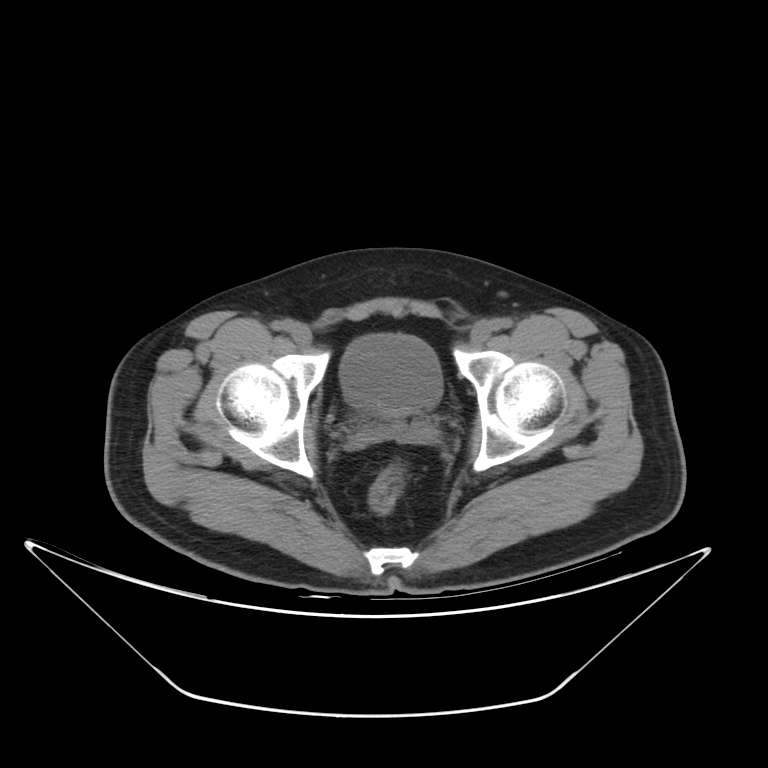

Computed tomography, abdomen. axial view. W/L 400/40 HU. acquired on Brilliance16
{"organs":{"bladder":[339,334,442,415]}}